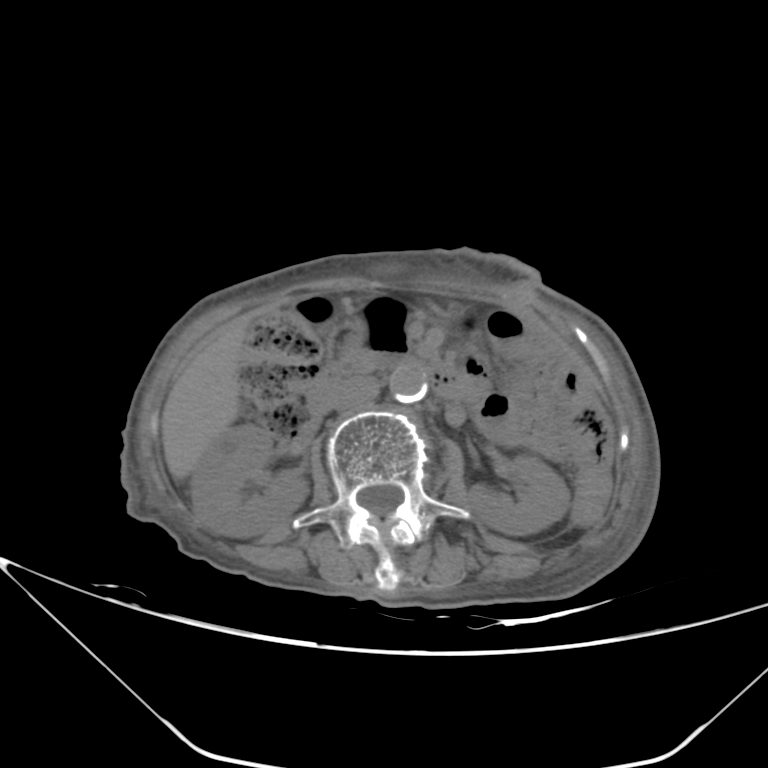
CT abdomen · Axial slice 57/88 · soft-tissue window · 80-year-old female patient
{"organs":{"right kidney":[190,423,308,536],"left kidney":[467,455,569,535],"liver":[161,323,245,479],"aorta":[389,364,427,403],"inferior vena cava":[328,376,380,410],"pancreas":[342,346,379,371],"duodenum":[310,358,488,418]}}